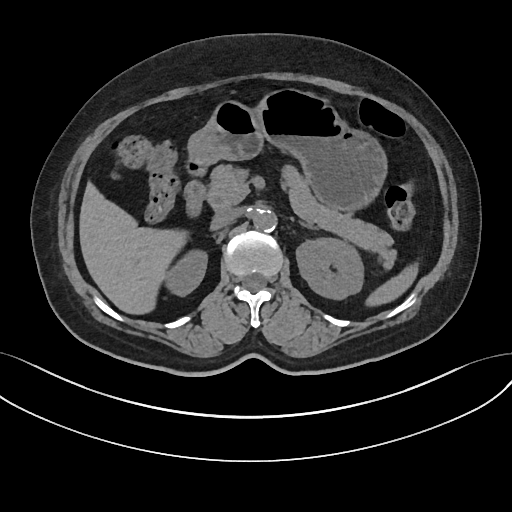
Abdominal CT — Axial slice 142/207 — 512x512 px
{"organs":{"spleen":[366,266,416,304],"right kidney":[165,249,207,296],"left kidney":[296,236,363,298],"liver":[79,184,186,313],"stomach":[189,88,385,208],"aorta":[253,209,277,231],"inferior vena cava":[211,208,241,228],"pancreas":[206,163,395,265],"left adrenal gland":[301,221,312,227],"duodenum":[185,156,205,216]}}